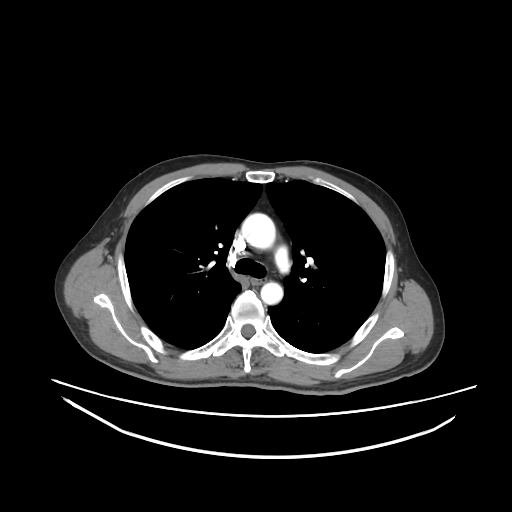 Abdominal CT reaching into the chest; this slice is in the chest; axial plane, index 111; 512x512 px; 52-year-old male patient
At this level of the chest this dataset labels only the esophagus and the aorta, and each is boxed only where it is labeled; the heart and lungs are never labeled. Boxes are (x1, y1, x2, y2) in pixels. Labeled organs on this slice: esophagus at (251, 277, 265, 285), aorta at (241, 213, 275, 249), aorta at (260, 282, 283, 304).